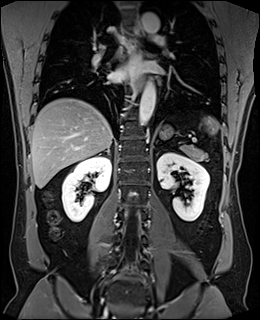
Abdominal MRI — coronal view — 1st–99th percentile window — 260x320 px
One row per box, in pixels: columns x1 and y1 give the top-left corner, x2 and y2 the bottom-right.
| organ | x1 | y1 | x2 | y2 |
|---|---|---|---|---|
| stomach | 160 | 126 | 173 | 139 |
| left kidney | 157 | 152 | 209 | 221 |
| pancreas | 179 | 144 | 207 | 161 |
| spleen | 202 | 116 | 219 | 134 |
| liver | 30 | 98 | 113 | 188 |
| esophagus | 131 | 20 | 144 | 44 |
| esophagus | 133 | 74 | 143 | 91 |
| aorta | 138 | 82 | 155 | 126 |
| aorta | 141 | 12 | 159 | 33 |
| right adrenal gland | 99 | 147 | 110 | 155 |
| right kidney | 61 | 155 | 111 | 222 |